Magnetic resonance imaging, abdomen · axial view · 1st–99th percentile window · Prisma scanner
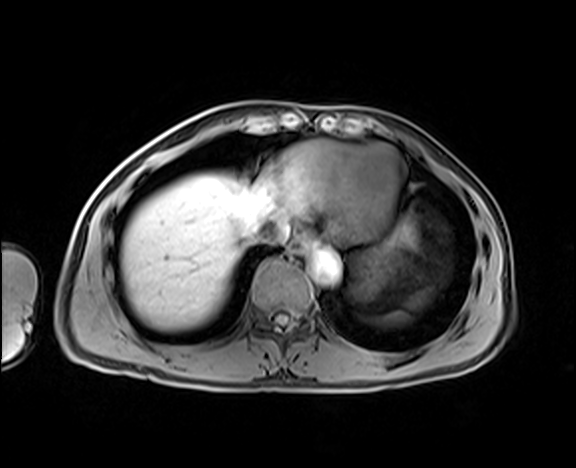

Boxes are (x1, y1, x2, y2) in pixels.
Organ bounding boxes:
- spleen: (369, 289, 432, 325)
- esophagus: (288, 237, 314, 254)
- liver: (121, 174, 419, 329)
- stomach: (351, 242, 398, 299)
- aorta: (312, 250, 340, 283)
- inferior vena cava: (253, 215, 285, 244)